Abdominal CT; this slice is in the lower chest, just above the liver · Axial slice 207/284 · SOMATOM Force scanner
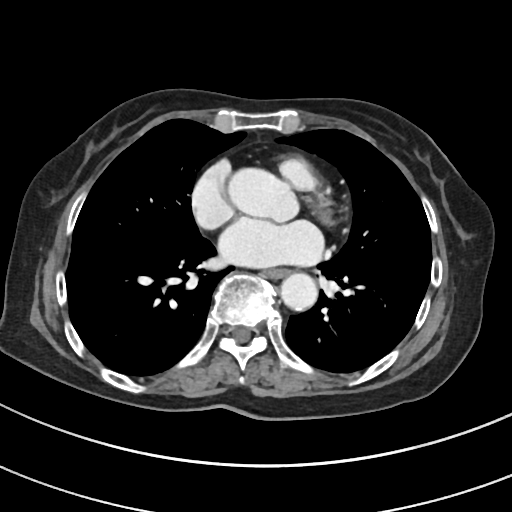

Of the structures in the chest, this dataset labels only the esophagus, the aorta and the inferior vena cava; the heart and lungs have no label.
Boxes: x1 y1 x2 y2 (pixel coords, space-separated).
esophagus: 263 269 288 278
aorta: 281 273 317 310